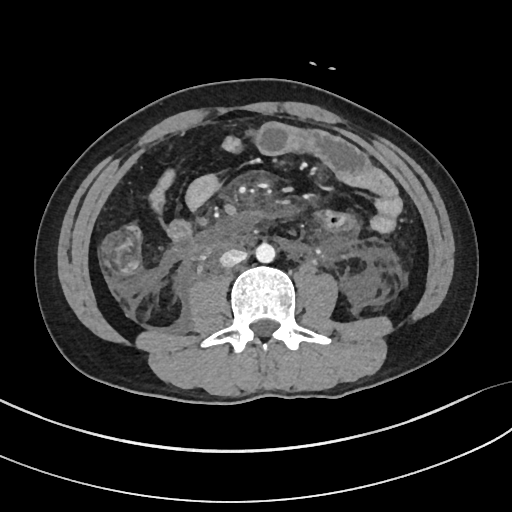
CT, abdomen/pelvis. Axial slice 118/251. 512x512 px
Coordinates as <box>x1,y1,x2,y2</box> in pixels. Labeled organs on this slice: aorta at <box>255,242,275,262</box>, inferior vena cava at <box>220,249,247,267</box>.